Computed tomography, abdomen; axial view; 15 organs annotated in this scan (that count is for the whole scan; organs this slice misses have no box)
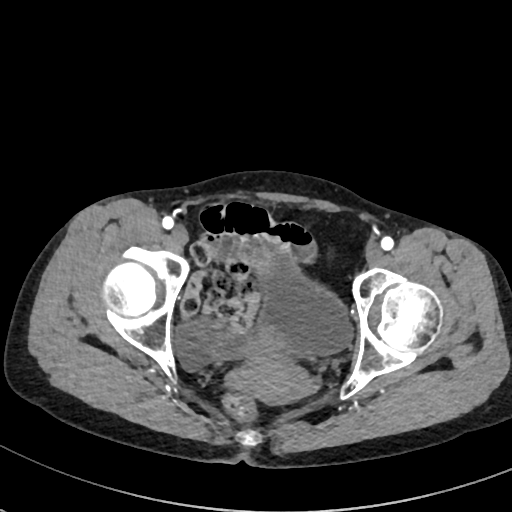 Coordinates as <box>x1,y1,x2,y2</box> in pixels. 2 labeled organs on this slice — bladder at <box>177,250,352,367</box>; prostate/uterus at <box>238,325,310,403</box>.